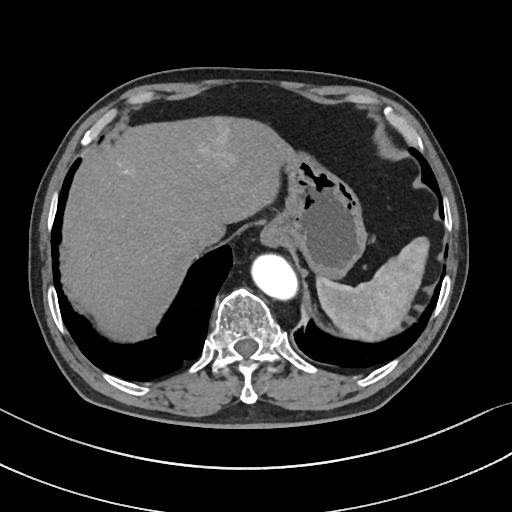
CT, abdomen/pelvis; axial view; soft-tissue window (W 400 / L 40); 512x512 px; acquired on SOMATOM Force; 15 organs annotated in this scan (a whole-scan count: organs this slice does not pass through have no box)
Each box given as x1,y1,x2,y2.
Organ bounding boxes:
- spleen: x1=316, y1=235, x2=428, y2=339
- esophagus: x1=260, y1=222, x2=282, y2=248
- liver: x1=61, y1=118, x2=293, y2=338
- stomach: x1=274, y1=156, x2=366, y2=277
- aorta: x1=253, y1=255, x2=298, y2=302
- inferior vena cava: x1=185, y1=232, x2=213, y2=252